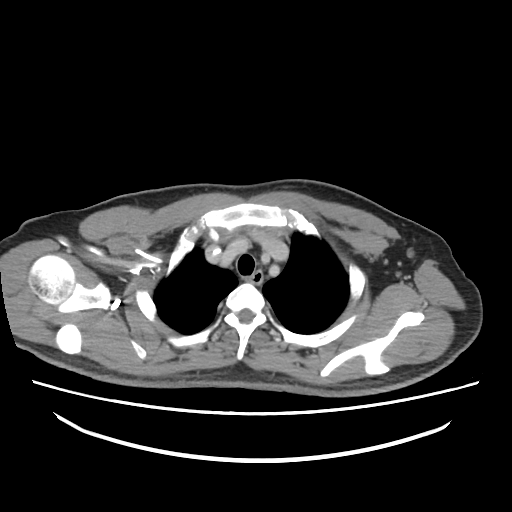
CT of the abdomen extending into the chest, slice through the chest; axial view; soft-tissue window (W 400 / L 40); 512x512 px
On a slice this high in the chest, this dataset labels only the esophagus and the aorta, and each is boxed only where it is labeled; the heart, lungs and other chest structures are not labeled.
<organs><organ name="esophagus" x1="245" y1="270" x2="261" y2="284"/></organs>